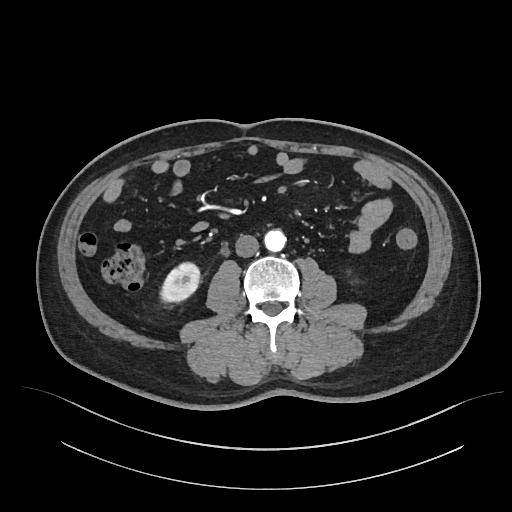 Abdominal CT · Axial slice 132/333 · W/L 400/40 HU
{"organs":{"right kidney":[160,262,199,302],"aorta":[264,229,285,251],"inferior vena cava":[235,235,259,257]}}